CT abdomen — axial view — 15 organs annotated in this scan (a whole-scan count: organs this slice does not pass through have no box)
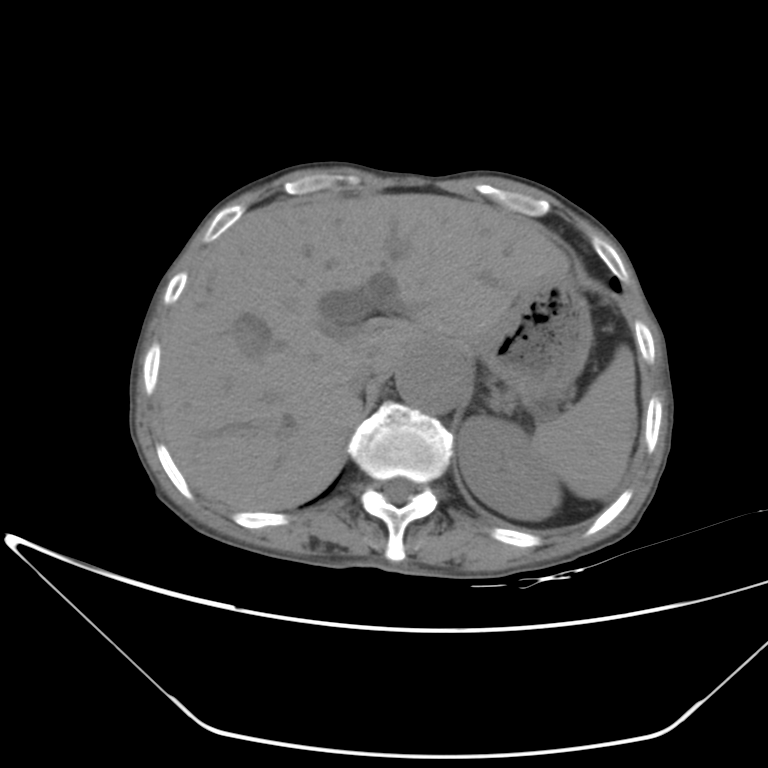 Each box given as x1,y1,x2,y2.
left adrenal gland: x1=489, y1=389, x2=504, y2=409
liver: x1=159, y1=193, x2=569, y2=510
left kidney: x1=458, y1=416, x2=561, y2=520
spleen: x1=534, y1=346, x2=637, y2=499
aorta: x1=396, y1=347, x2=470, y2=413
inferior vena cava: x1=349, y1=356, x2=377, y2=394
stomach: x1=456, y1=278, x2=592, y2=405